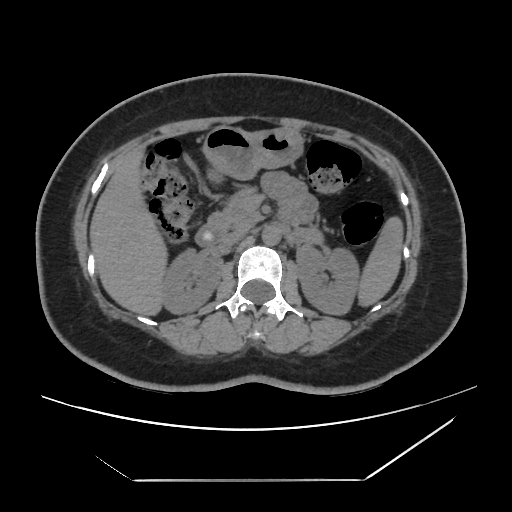 CT abdomen · axial view · abdomen soft-tissue window · 512x512 px
<organs><organ name="spleen" x1="358" y1="216" x2="403" y2="306"/><organ name="right kidney" x1="162" y1="248" x2="222" y2="314"/><organ name="left kidney" x1="296" y1="245" x2="359" y2="314"/><organ name="liver" x1="90" y1="148" x2="167" y2="315"/><organ name="stomach" x1="203" y1="126" x2="303" y2="181"/><organ name="aorta" x1="261" y1="226" x2="280" y2="245"/><organ name="inferior vena cava" x1="220" y1="229" x2="247" y2="246"/><organ name="pancreas" x1="207" y1="187" x2="261" y2="231"/><organ name="duodenum" x1="195" y1="225" x2="224" y2="246"/></organs>